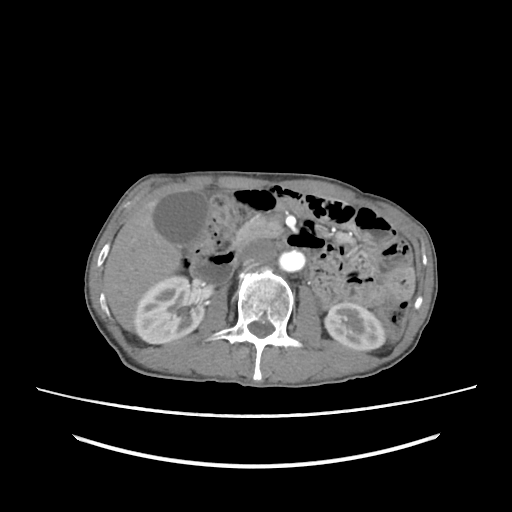
Abdominal CT — axial view — Aquilion ONE scanner
Coordinates as <box>x1,y1,x2,y2</box> in pixels.
right kidney: <box>134,276,203,343</box>
left kidney: <box>325,302,385,350</box>
duodenum: <box>190,243,241,284</box>
pancreas: <box>235,215,282,244</box>
inferior vena cava: <box>236,240,275,264</box>
aorta: <box>279,250,305,271</box>
liver: <box>103,194,181,330</box>
gall bladder: <box>154,190,208,246</box>